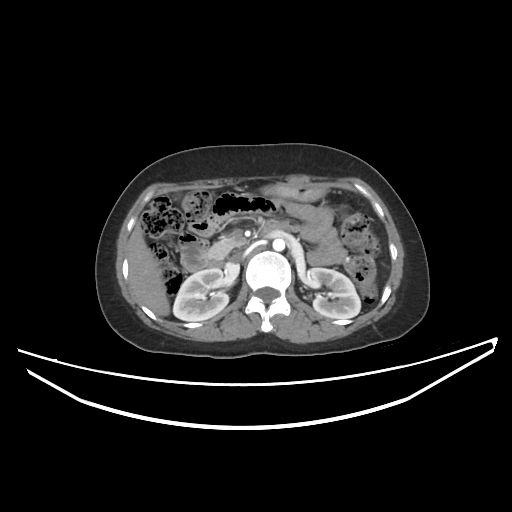
CT abdomen · Axial slice 66/126 · soft-tissue window (W 400 / L 40)
Box edges are left/top/right/bottom in pixels.
Organ bounding boxes:
- right kidney: left=173, top=268, right=228, bottom=321
- left kidney: left=305, top=268, right=360, bottom=318
- liver: left=128, top=225, right=169, bottom=316
- stomach: left=262, top=182, right=325, bottom=201
- aorta: left=272, top=238, right=284, bottom=251
- inferior vena cava: left=231, top=252, right=242, bottom=260
- pancreas: left=208, top=237, right=242, bottom=258
- duodenum: left=205, top=220, right=293, bottom=267